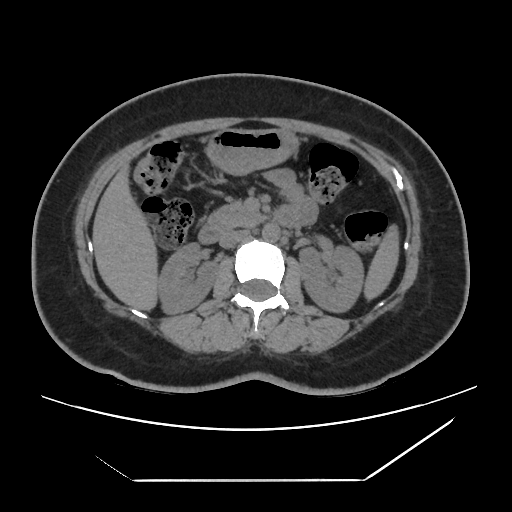
Abdominal CT. axial view. soft-tissue window (W 400 / L 40). 512x512 px
Coordinates as <box>x1,y1,x2,y2</box> in pixels. 9 labeled organs on this slice — spleen at <box>365,228,398,298</box>; right kidney at <box>157,242,216,313</box>; left kidney at <box>300,245,364,312</box>; liver at <box>93,168,157,310</box>; stomach at <box>207,129,296,174</box>; aorta at <box>262,223,279,241</box>; inferior vena cava at <box>219,230,248,248</box>; pancreas at <box>209,201,263,229</box>; duodenum at <box>198,204,303,243</box>.